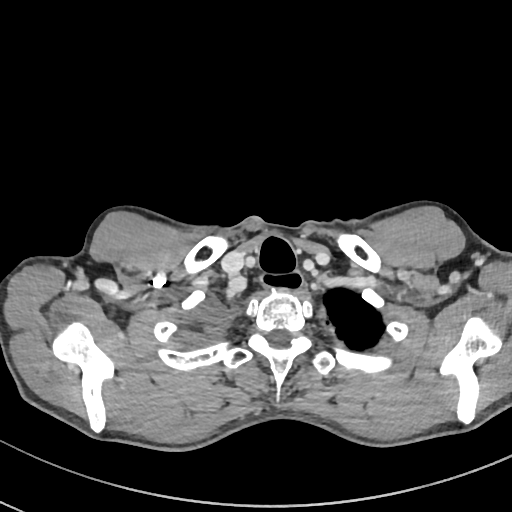
CT of the abdomen extending into the chest, slice through the chest; axial view; W/L 400/40 HU; 512x512 px
At this level of the chest no structure but the esophagus and the aorta has a label in this dataset, and those two are boxed only where they are labeled.
Each box given as x1,y1,x2,y2.
Organ bounding boxes:
- esophagus: x1=262, y1=270, x2=304, y2=292